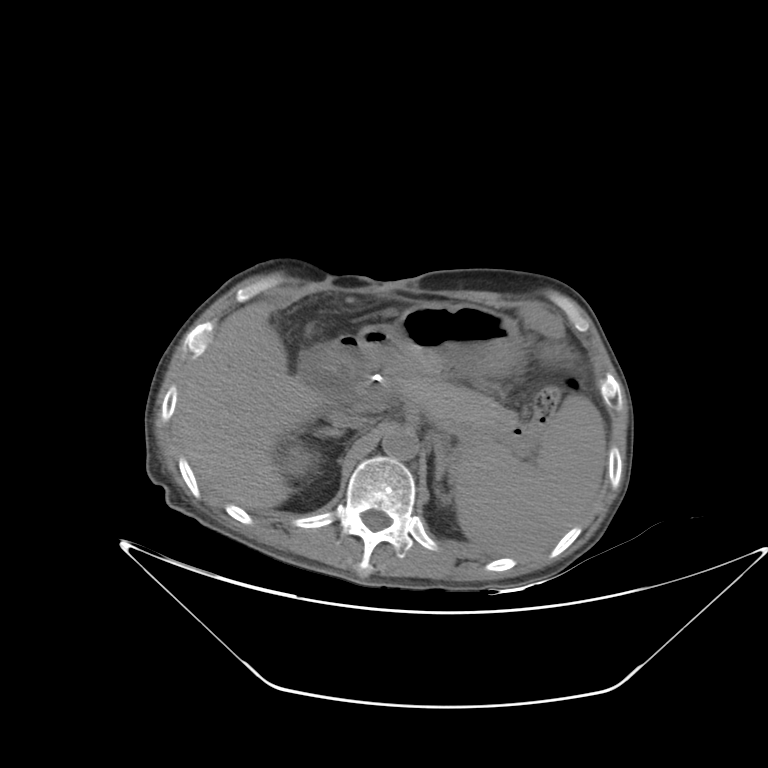
CT abdomen · axial plane, index 71
Boxes: x1 y1 x2 y2 (pixel coords, space-separated).
Organ bounding boxes:
- spleen: 452 394 605 555
- right kidney: 279 443 317 477
- liver: 173 301 327 509
- stomach: 357 302 523 377
- aorta: 382 427 418 460
- inferior vena cava: 327 410 365 429
- pancreas: 382 365 518 434
- right adrenal gland: 313 428 343 438
- left adrenal gland: 435 441 445 483
- duodenum: 300 335 381 392